CT, abdomen/pelvis · axial plane, index 10 · W/L 400/40 HU
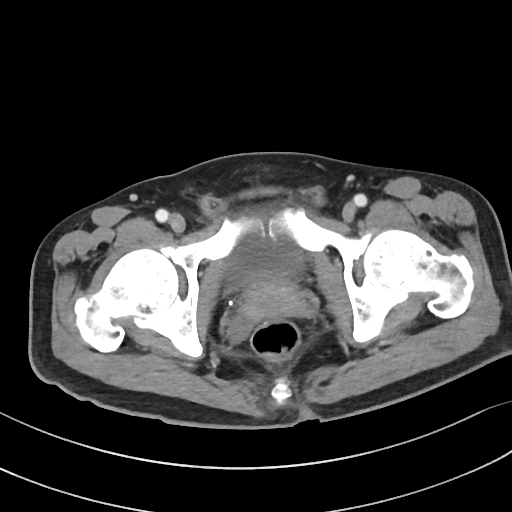 {"organs":{"bladder":[225,237,302,286],"prostate/uterus":[241,275,304,320]}}